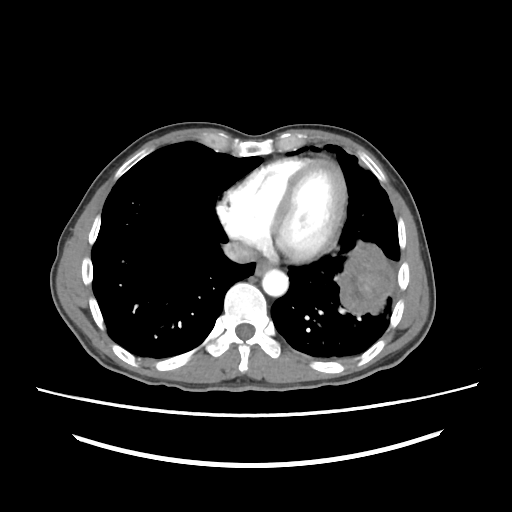

Lower-chest slice from an abdominal CT, just above the liver and spleen; axial view; 51-year-old male patient; 13 organs annotated in this scan (that count is for the whole scan; organs this slice misses have no box)
The heart and lungs are never labeled in this dataset, so they have no box on this slice.
{"organs":{"esophagus":[255,257,275,276],"inferior vena cava":[222,240,257,262],"aorta":[262,269,288,297]}}